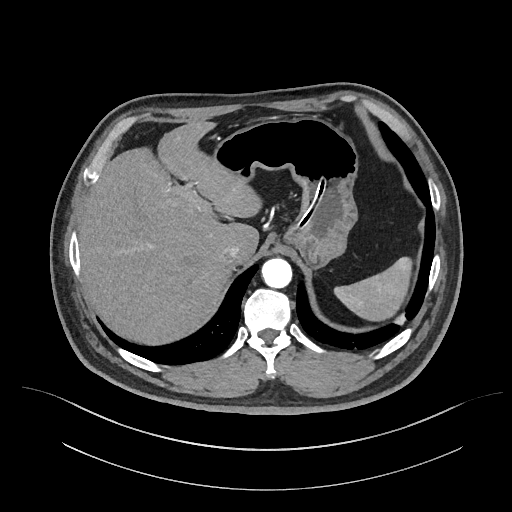
CT, abdomen/pelvis · Axial slice 206/333 · 512x512 px · acquired on SOMATOM Force · scan has 15 labeled organs (a whole-scan count: organs this slice does not pass through have no box)
Bounding boxes in pixels, one row per box: x1, y1 is the top-left corner and x2, y2 the bottom-right.
| organ | x1 | y1 | x2 | y2 |
|---|---|---|---|---|
| spleen | 333 | 256 | 411 | 320 |
| liver | 78 | 120 | 260 | 342 |
| stomach | 213 | 116 | 357 | 266 |
| aorta | 262 | 258 | 292 | 288 |
| inferior vena cava | 222 | 243 | 239 | 260 |